Computed tomography, abdomen; Axial slice 190/333; soft-tissue window
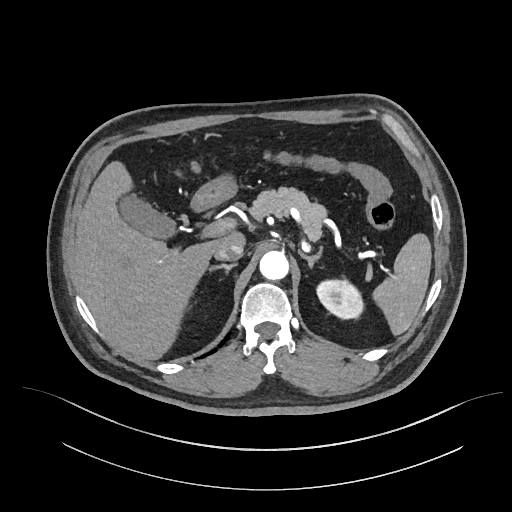

Organ boxes in pixel coordinates; each row gives the top-left (x1, y1) and bottom-right (x2, y2) corners.
| organ | x1 | y1 | x2 | y2 |
|---|---|---|---|---|
| spleen | 372 | 233 | 431 | 335 |
| left kidney | 316 | 279 | 364 | 318 |
| gall bladder | 117 | 193 | 176 | 239 |
| liver | 73 | 161 | 245 | 359 |
| stomach | 191 | 173 | 237 | 211 |
| aorta | 259 | 250 | 288 | 280 |
| inferior vena cava | 214 | 244 | 243 | 260 |
| pancreas | 249 | 187 | 327 | 239 |
| right adrenal gland | 208 | 263 | 236 | 274 |
| left adrenal gland | 299 | 246 | 323 | 267 |